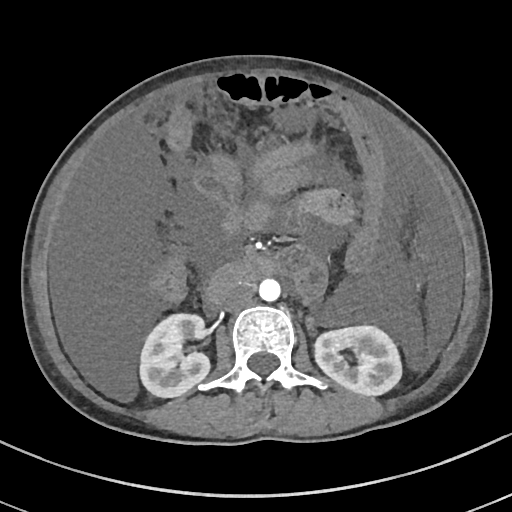 CT abdomen. axial view. soft-tissue window (W 400 / L 40). 512x512 px
Boxes are (x1, y1, x2, y2) in pixels. Labeled organs on this slice: right kidney at (138, 313, 210, 398), left kidney at (315, 325, 402, 395), aorta at (259, 279, 280, 302), inferior vena cava at (220, 285, 253, 311), duodenum at (202, 257, 278, 310).